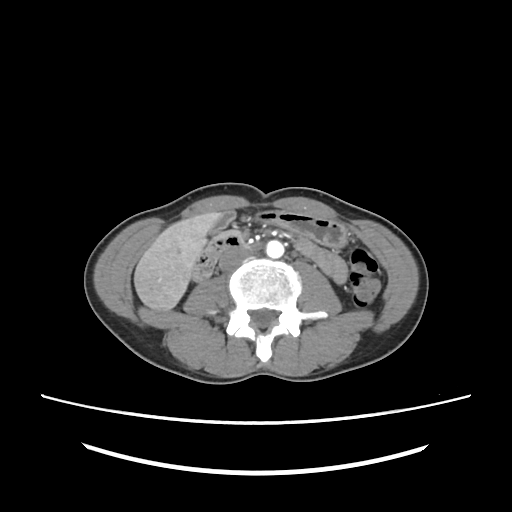
Computed tomography, abdomen; axial view; soft-tissue window (W 400 / L 40)
Each box given as x1,y1,x2,y2.
gall bladder: x1=209, y1=211, x2=235, y2=234
liver: x1=134, y1=212, x2=218, y2=310
stomach: x1=258, y1=212, x2=346, y2=248
aorta: x1=266, y1=240, x2=284, y2=258
inferior vena cava: x1=219, y1=249, x2=250, y2=270
duodenum: x1=194, y1=231, x2=244, y2=281